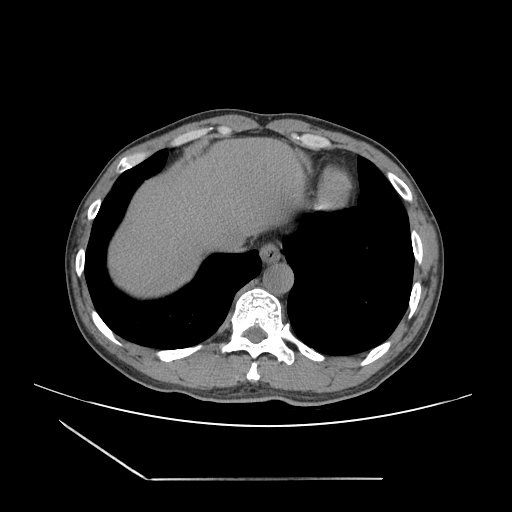

CT, abdomen/pelvis. axial plane, index 161. W/L 400/40 HU. 15 organs annotated in this scan (that count is for the whole scan; organs this slice misses have no box)
Each box given as x1,y1,x2,y2.
esophagus: x1=259, y1=243, x2=280, y2=263
aorta: x1=263, y1=262, x2=293, y2=294
liver: x1=108, y1=137, x2=305, y2=297
inferior vena cava: x1=216, y1=231, x2=248, y2=252